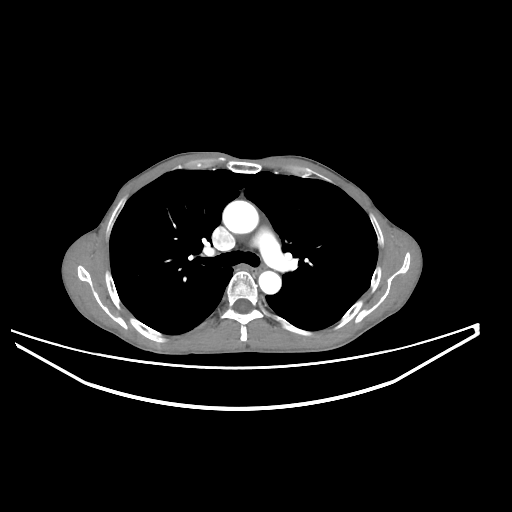 CT of the abdomen extending into the chest, slice through the chest; axial view
At this level of the chest no structure but the esophagus and the aorta has a label in this dataset, and those two are boxed only where they are labeled.
Organ boxes in pixel coordinates; each row gives the top-left (x1, y1) and bottom-right (x2, y2) corners.
| organ | x1 | y1 | x2 | y2 |
|---|---|---|---|---|
| esophagus | 251 | 264 | 265 | 274 |
| aorta | 222 | 200 | 258 | 233 |
| aorta | 258 | 271 | 281 | 294 |